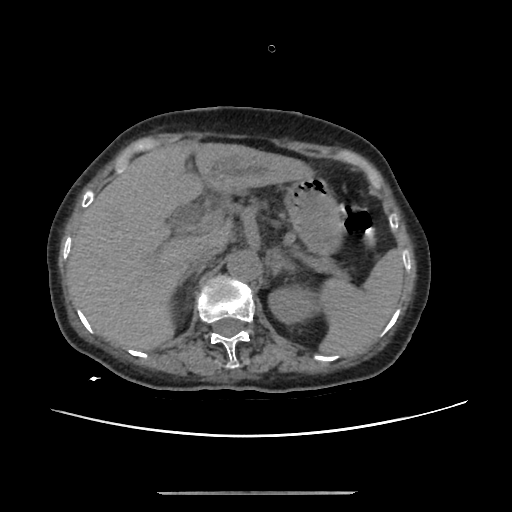

CT, abdomen/pelvis. axial view. W/L 400/40 HU. acquired on SOMATOM Force. 14 organs annotated in this scan (that count is for the whole scan; organs this slice misses have no box)
<organs><organ name="spleen" x1="317" y1="249" x2="403" y2="356"/><organ name="right adrenal gland" x1="179" y1="270" x2="202" y2="289"/><organ name="inferior vena cava" x1="188" y1="245" x2="222" y2="271"/><organ name="aorta" x1="227" y1="250" x2="261" y2="281"/><organ name="left kidney" x1="269" y1="286" x2="314" y2="323"/><organ name="liver" x1="68" y1="141" x2="313" y2="350"/><organ name="left adrenal gland" x1="270" y1="250" x2="284" y2="276"/><organ name="stomach" x1="285" y1="177" x2="344" y2="254"/><organ name="pancreas" x1="311" y1="256" x2="344" y2="279"/></organs>